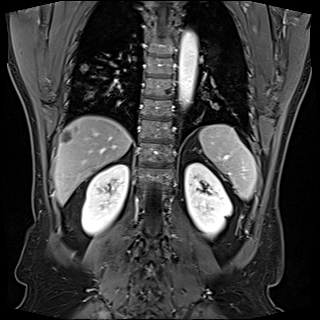 Abdominal MRI; coronal acquisition
Bounding boxes as [x1, y1, x2, y2] in pixel coordinates.
Organ bounding boxes:
- aorta: [178, 30, 197, 105]
- spleen: [199, 124, 257, 199]
- right kidney: [82, 164, 128, 234]
- left kidney: [184, 163, 232, 237]
- liver: [54, 116, 131, 204]